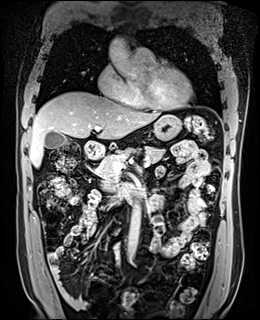
Magnetic resonance imaging, abdomen · coronal plane, index 88
Bounding boxes as [x1, y1, x2, y2] in pixel coordinates. The annotated organs in this slice are: gall bladder at [45, 131, 67, 148], liver at [29, 91, 160, 167], stomach at [153, 114, 181, 140], aorta at [108, 38, 146, 82], aorta at [128, 205, 140, 258], pancreas at [98, 146, 165, 191], duodenum at [84, 140, 149, 204].